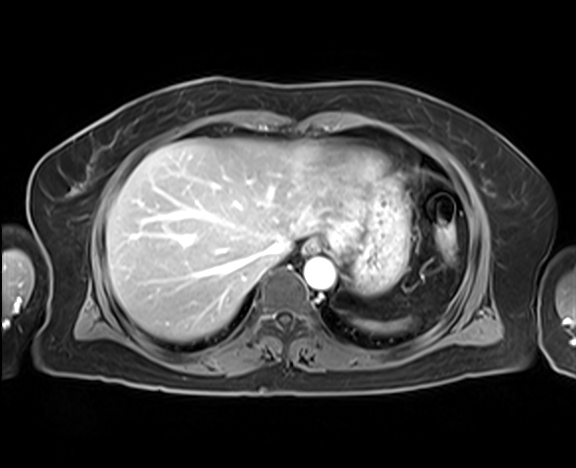 Abdominal MR — axial view — percentile-normalized — 576x468 px
One row per box, in pixels: columns x1 and y1 give the top-left corner, x2 and y2 the bottom-right.
| organ | x1 | y1 | x2 | y2 |
|---|---|---|---|---|
| spleen | 351 | 318 | 409 | 331 |
| esophagus | 305 | 239 | 320 | 252 |
| liver | 106 | 138 | 377 | 341 |
| stomach | 334 | 171 | 409 | 295 |
| aorta | 304 | 257 | 334 | 289 |
| inferior vena cava | 265 | 239 | 291 | 258 |